CT abdomen · axial view · 768x768 px · 64-year-old male patient
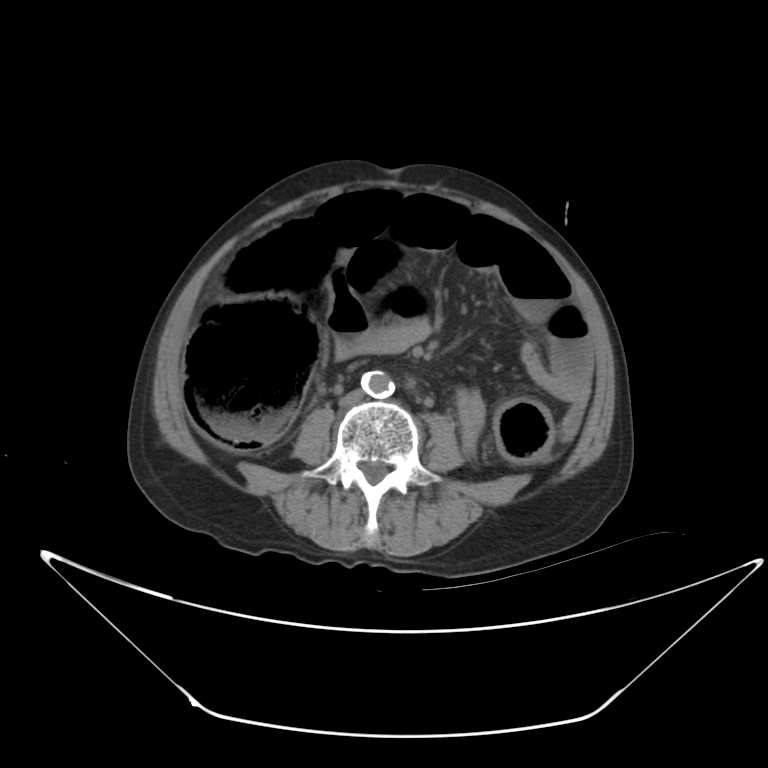 Box edges are left/top/right/bottom in pixels.
Organ bounding boxes:
- inferior vena cava: left=338, top=389, right=364, bottom=406
- aorta: left=361, top=371, right=394, bottom=398